CT, abdomen/pelvis · axial view · W/L 400/40 HU · 512x512 px · SOMATOM Force scanner · scan has 15 labeled organs (counted over the whole 3D scan, not this slice; an organ is boxed only where this slice passes through it)
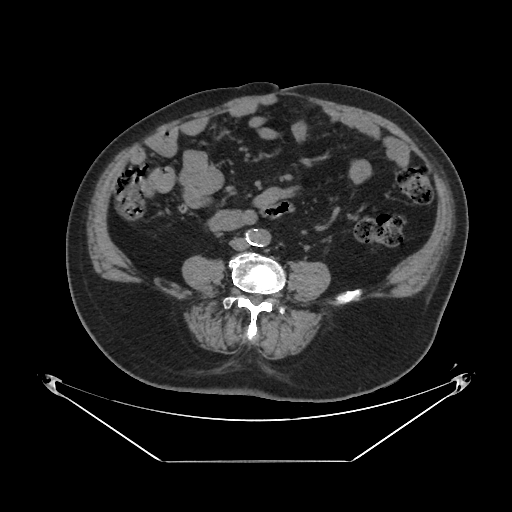
<organs><organ name="aorta" x1="247" y1="229" x2="270" y2="247"/><organ name="inferior vena cava" x1="229" y1="238" x2="248" y2="250"/></organs>